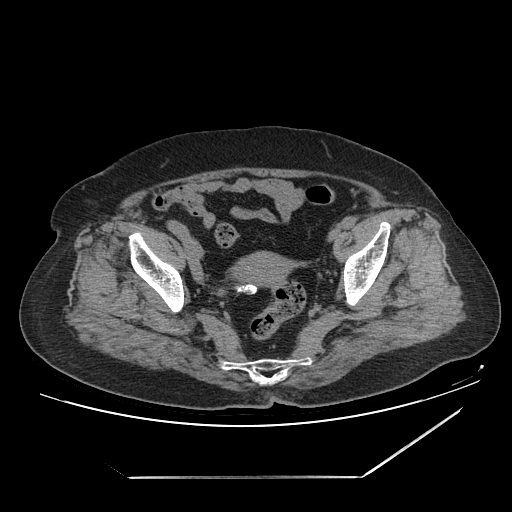
Computed tomography, abdomen. axial view. acquired on SOMATOM Force
Coordinates as <box>x1,y1,x2,y2</box> in pixels. The annotated organs in this slice are: prostate/uterus at <box>238,254,292,290</box>.